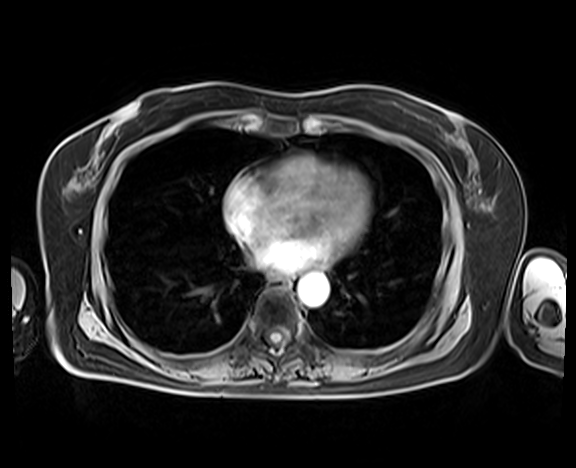

Abdominal MRI; this slice is in the lower chest, just above the liver — axial view
The heart and lungs are never labeled in this dataset, so they have no box on this slice.
One row per box, in pixels: columns x1 and y1 give the top-left corner, x2 and y2 the bottom-right.
| organ | x1 | y1 | x2 | y2 |
|---|---|---|---|---|
| aorta | 298 | 273 | 329 | 306 |
| esophagus | 274 | 276 | 289 | 287 |